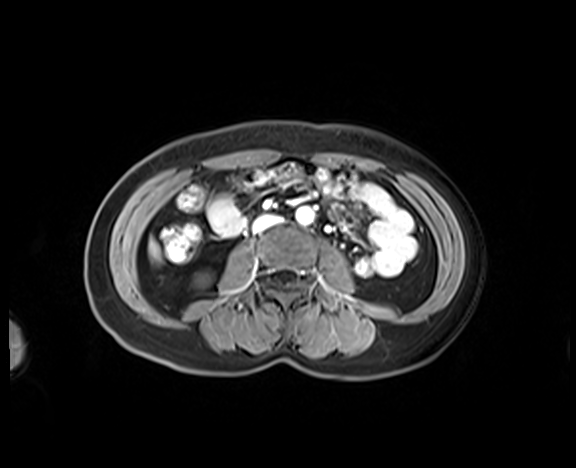

Abdominal MR · Axial slice 10/72 · percentile-normalized · 576x468 px
Boxes: x1 y1 x2 y2 (pixel coords, space-separated).
Organ bounding boxes:
- right kidney: 195 272 211 285
- liver: 149 240 160 261
- aorta: 296 207 313 224
- inferior vena cava: 252 215 280 232